Computed tomography, abdomen — axial view — soft-tissue window (W 400 / L 40) — 512x512 px — SOMATOM Force scanner
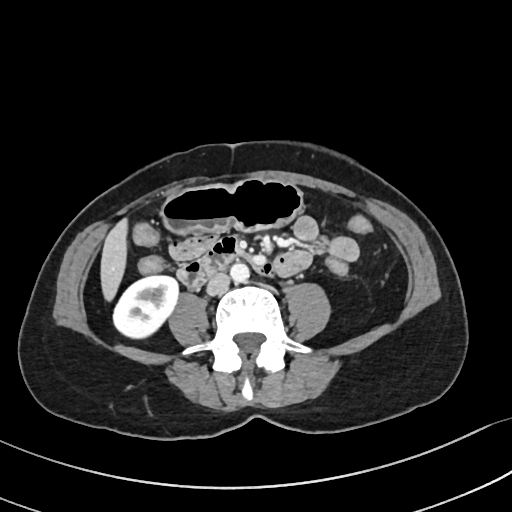
<organs><organ name="right kidney" x1="113" y1="275" x2="178" y2="338"/><organ name="liver" x1="100" y1="220" x2="126" y2="300"/><organ name="stomach" x1="163" y1="179" x2="302" y2="233"/><organ name="aorta" x1="230" y1="263" x2="249" y2="282"/><organ name="inferior vena cava" x1="206" y1="273" x2="229" y2="295"/><organ name="duodenum" x1="178" y1="234" x2="275" y2="290"/></organs>